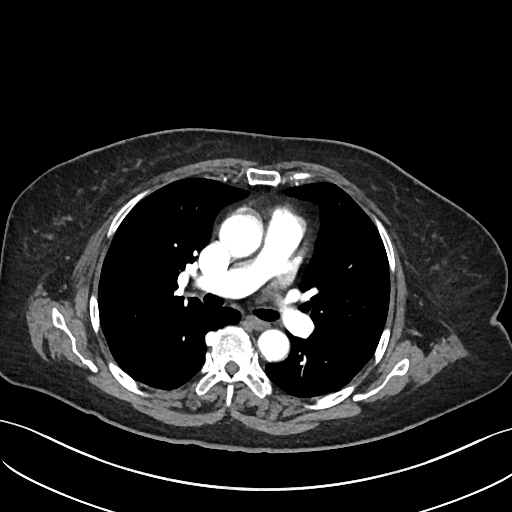 Chest-level slice from an abdominal CT that extends up into the chest; axial view; soft-tissue window, W/L 400/40
On a slice this high in the chest, this dataset labels only the esophagus and the aorta, and each is boxed only where it is labeled; the heart, lungs and other chest structures are not labeled.
Each box given as x1,y1,x2,y2.
Organ bounding boxes:
- esophagus: x1=248, y1=317, x2=268, y2=329
- aorta: x1=219, y1=213, x2=262, y2=257
- aorta: x1=257, y1=329, x2=289, y2=360